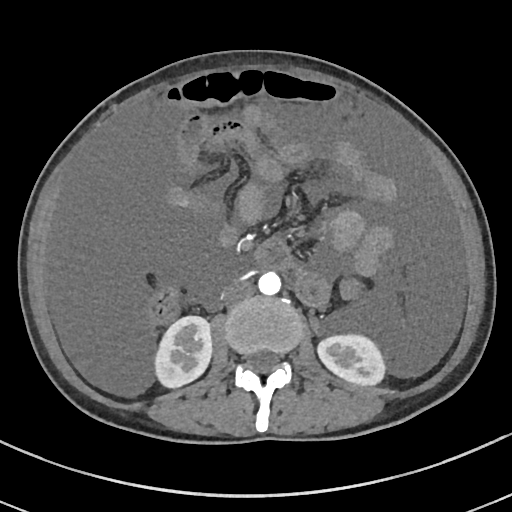 CT abdomen; Axial slice 128/237; acquired on SOMATOM Force
{"organs":{"right kidney":[156,315,212,389],"left kidney":[316,333,386,386],"aorta":[258,272,281,295],"inferior vena cava":[223,280,254,305]}}